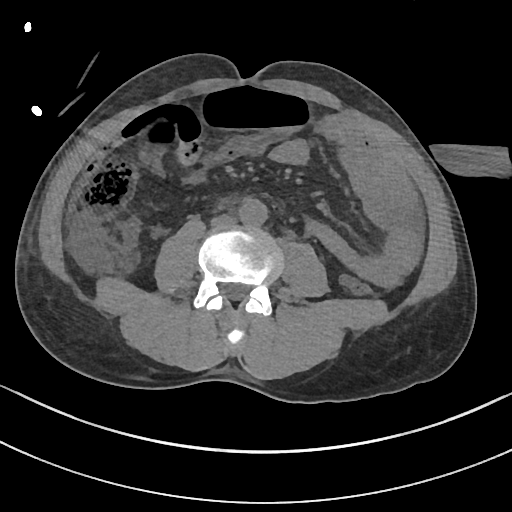 Computed tomography, abdomen · axial view · soft-tissue window (W 400 / L 40) · acquired on SOMATOM Force
Coordinates as <box>x1,y1,x2,y2</box> in pixels.
aorta: <box>239,199,268,225</box>
inferior vena cava: <box>211,214,236,226</box>